CT abdomen. axial view. scan has 14 labeled organs (counted over the whole 3D scan, not this slice; an organ is boxed only where this slice passes through it)
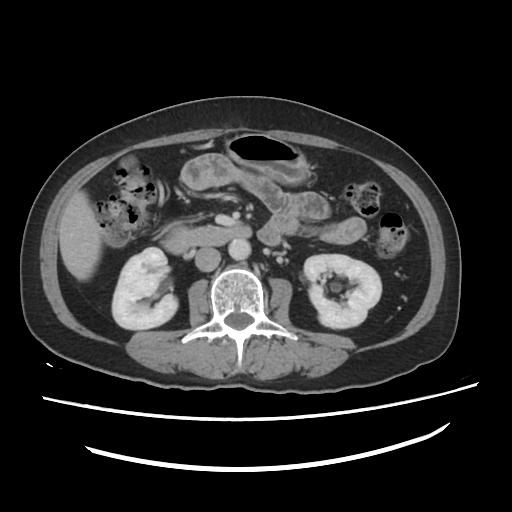
Boxes: x1 y1 x2 y2 (pixel coords, space-separated).
Organ bounding boxes:
- duodenum: 163 225 251 254
- gall bladder: 122 158 136 170
- aorta: 228 240 250 258
- liver: 57 190 100 279
- stomach: 224 131 313 183
- left kidney: 303 254 382 327
- inferior vena cava: 195 246 221 272
- right kidney: 111 248 177 329